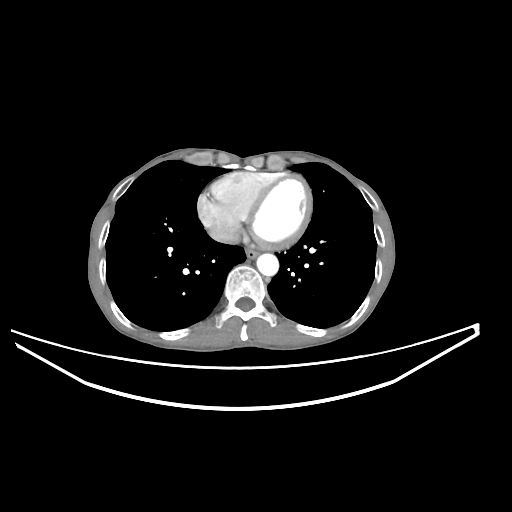
Lower-chest slice from an abdominal CT, just above the liver and spleen · axial view · W/L 400/40 HU · 512x512 px · scan has 15 labeled organs (that count is for the whole scan; organs this slice misses have no box)
No part of the heart or lungs is labeled in this dataset, so neither has a box here.
Bounding boxes as [x1, y1, x2, y2] in pixel coordinates.
esophagus: [245, 248, 258, 258]
aorta: [256, 253, 278, 275]
inferior vena cava: [209, 224, 240, 243]